CT abdomen · axial view · soft-tissue window (W 400 / L 40) · 512x512 px · scan has 15 labeled organs (that count is for the whole scan; organs this slice misses have no box)
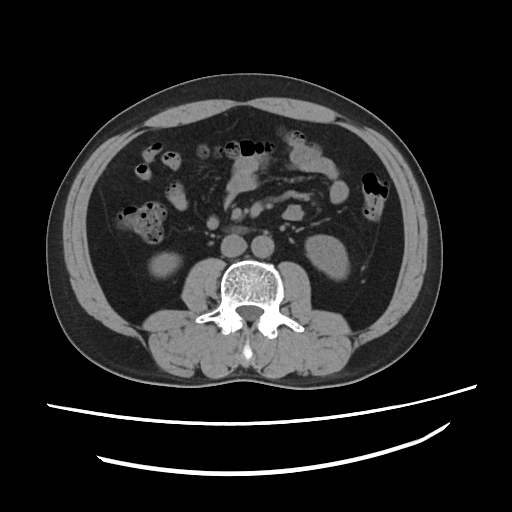 One row per box, in pixels: columns x1 and y1 give the top-left corner, x2 and y2 the bottom-right.
| organ | x1 | y1 | x2 | y2 |
|---|---|---|---|---|
| right kidney | 151 | 252 | 177 | 274 |
| left kidney | 306 | 234 | 346 | 279 |
| aorta | 251 | 236 | 274 | 258 |
| inferior vena cava | 220 | 234 | 246 | 256 |